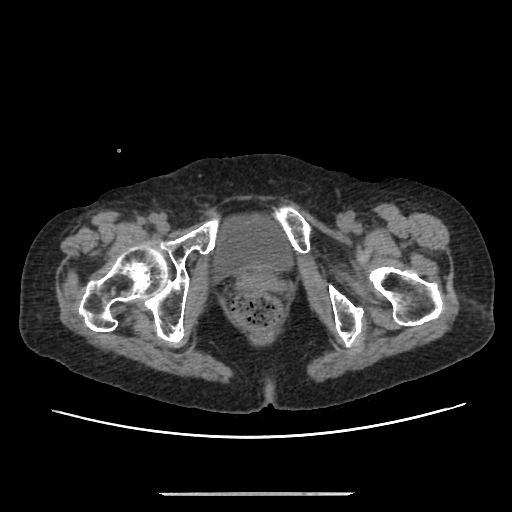
CT, abdomen/pelvis. axial view. SOMATOM Force scanner
Coordinates as <box>x1,y1,x2,y2</box> in pixels.
Organ bounding boxes:
- bladder: <box>216,217,290,274</box>